Abdominal CT; axial view; 66-year-old male patient
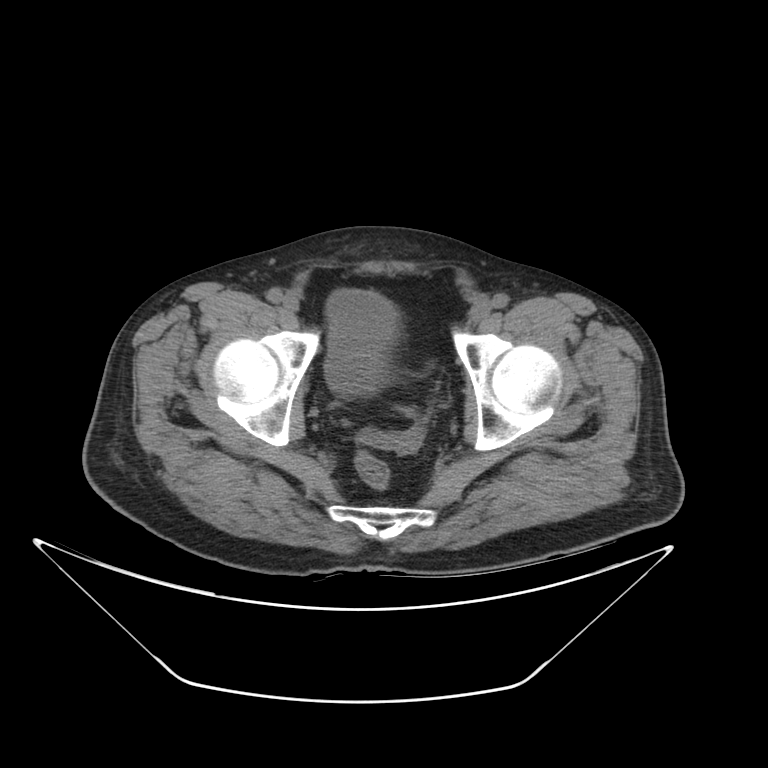
Organ boxes in pixel coordinates; each row gives the top-left (x1, y1) and bottom-right (x2, y2) corners.
| organ | x1 | y1 | x2 | y2 |
|---|---|---|---|---|
| bladder | 325 | 291 | 394 | 394 |